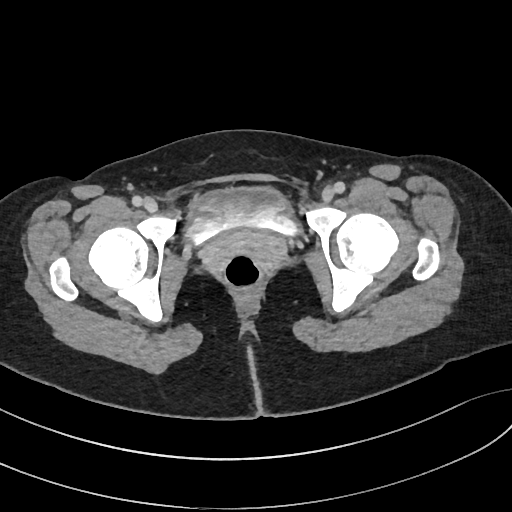

CT abdomen. Axial slice 31/219. abdomen soft-tissue window
Boxes are (x1, y1, x2, y2) in pixels.
bladder: (183, 185, 302, 245)